Abdominal CT; axial plane, index 48; 512x512 px; 58-year-old female patient
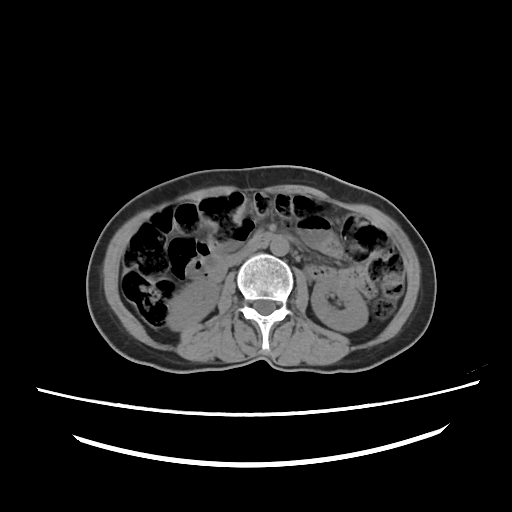 <organs><organ name="right kidney" x1="166" y1="279" x2="219" y2="330"/><organ name="left kidney" x1="311" y1="276" x2="368" y2="331"/><organ name="aorta" x1="270" y1="236" x2="289" y2="255"/><organ name="inferior vena cava" x1="225" y1="246" x2="257" y2="266"/><organ name="duodenum" x1="248" y1="233" x2="275" y2="246"/></organs>